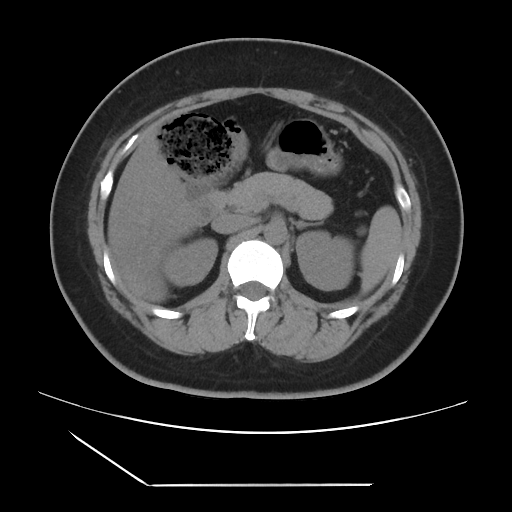 Computed tomography, abdomen. Axial slice 61/88. 512x512 px
<organs><organ name="spleen" x1="360" y1="206" x2="401" y2="291"/><organ name="right kidney" x1="163" y1="238" x2="217" y2="286"/><organ name="left kidney" x1="296" y1="231" x2="353" y2="290"/><organ name="liver" x1="107" y1="132" x2="197" y2="302"/><organ name="stomach" x1="277" y1="119" x2="342" y2="175"/><organ name="aorta" x1="264" y1="221" x2="286" y2="244"/><organ name="inferior vena cava" x1="211" y1="213" x2="252" y2="233"/><organ name="pancreas" x1="212" y1="172" x2="332" y2="219"/><organ name="left adrenal gland" x1="295" y1="220" x2="317" y2="229"/><organ name="duodenum" x1="190" y1="192" x2="222" y2="225"/></organs>